Abdominal CT — axial plane, index 221 — W/L 400/40 HU — scan has 15 labeled organs (counted over the whole 3D scan, not this slice; an organ is boxed only where this slice passes through it)
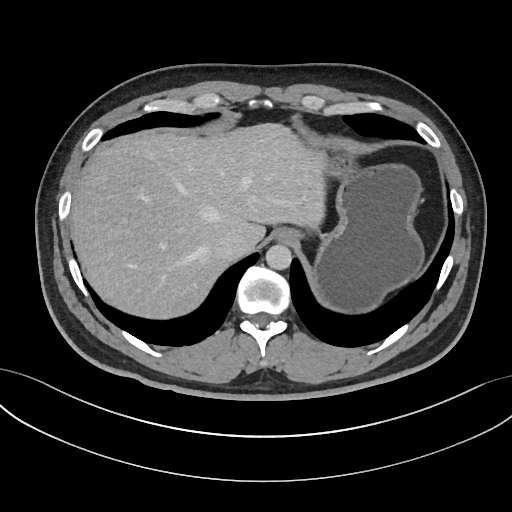 Boxes: x1 y1 x2 y2 (pixel coords, space-separated). Labeled organs on this slice: inferior vena cava at 213 231 246 260, stomach at 310 147 424 313, aorta at 265 244 291 269, liver at 71 123 325 319, esophagus at 275 228 300 244.